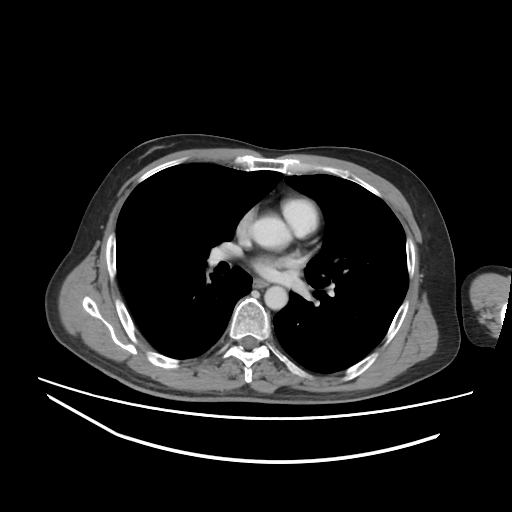 CT of the abdomen extending into the chest, slice through the chest — axial plane, index 97 — 512x512 px — 54-year-old male patient
At this level of the chest this dataset labels only the esophagus and the aorta, and each is boxed only where it is labeled; the heart and lungs are never labeled. Bounding boxes as [x1, y1, x2, y2] in pixel coordinates. The annotated organs in this slice are: aorta at [251, 217, 289, 247], aorta at [264, 286, 287, 309], esophagus at [253, 280, 266, 287].